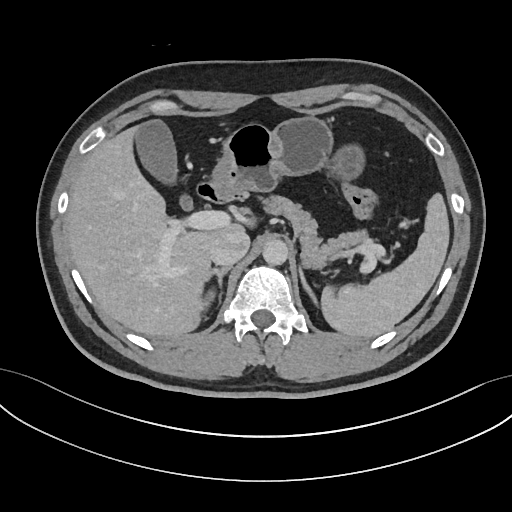
Abdominal CT; axial view; W/L 400/40 HU; SOMATOM Force scanner
Boxes: x1:y1:x2:y2 in pixels.
spleen: 320:193:448:337
right kidney: 202:291:216:307
gall bladder: 136:121:193:211
liver: 65:124:246:337
stomach: 210:115:365:287
aorta: 262:239:288:265
inferior vena cava: 210:231:249:265
pancreas: 267:196:367:266
right adrenal gland: 212:266:231:302
left adrenal gland: 299:268:318:304
duodenum: 198:183:228:203